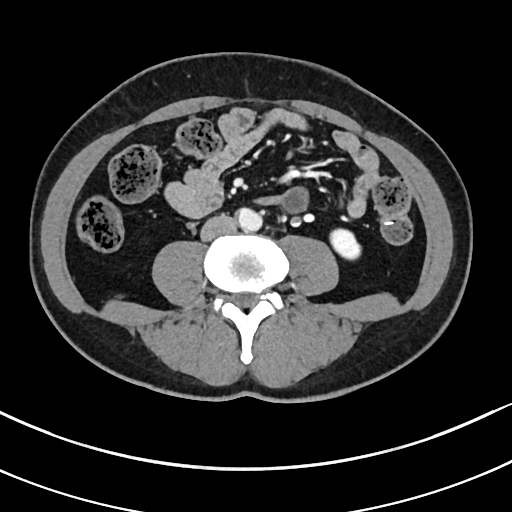
Computed tomography, abdomen — axial view — soft-tissue window — 512x512 px — acquired on SOMATOM Force — 15 organs annotated in this scan (a whole-scan count: organs this slice does not pass through have no box)
Bounding boxes as [x1, y1, x2, y2] in pixel coordinates.
aorta: [237, 209, 261, 231]
inferior vena cava: [201, 214, 235, 242]
left kidney: [328, 227, 360, 260]